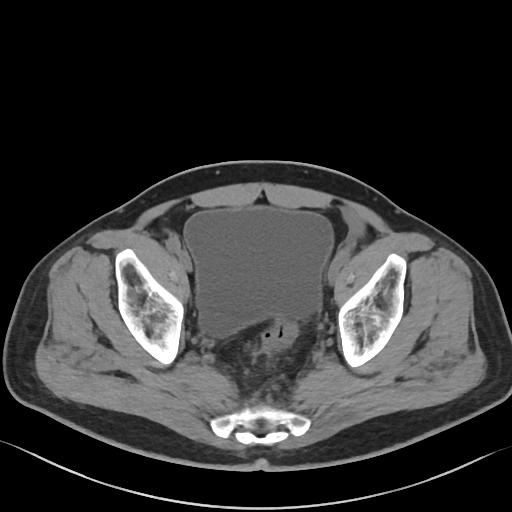
Abdominal CT; axial view; abdomen soft-tissue window; SOMATOM Force scanner
Boxes: x1:y1:x2:y2 in pixels.
bladder: 184:206:333:335